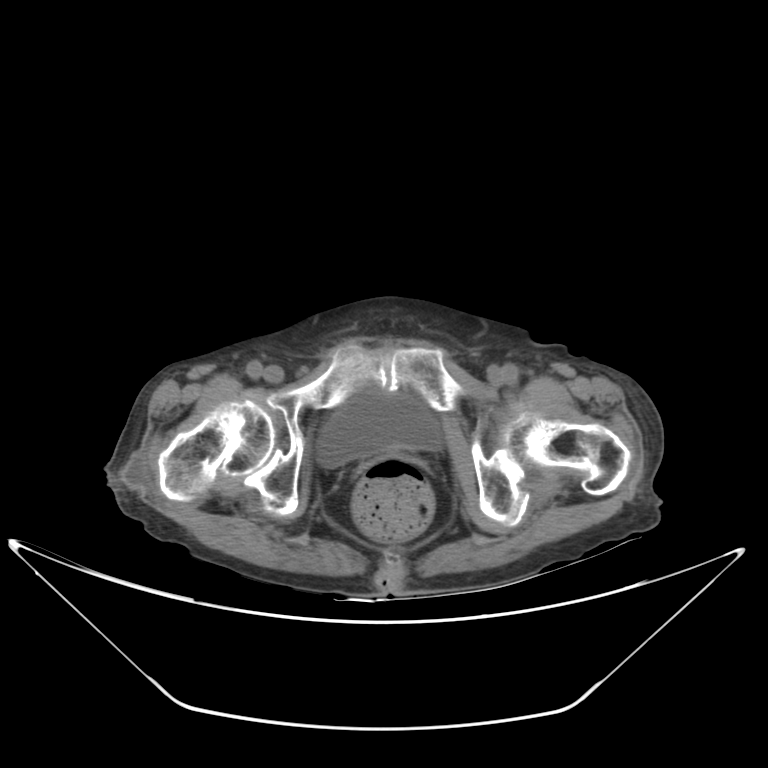

CT abdomen · axial view · Brilliance16 scanner
Bounding boxes in pixels, one row per box: x1, y1 is the top-left corner and x2, y2 the bottom-right.
| organ | x1 | y1 | x2 | y2 |
|---|---|---|---|---|
| bladder | 318 | 388 | 441 | 466 |